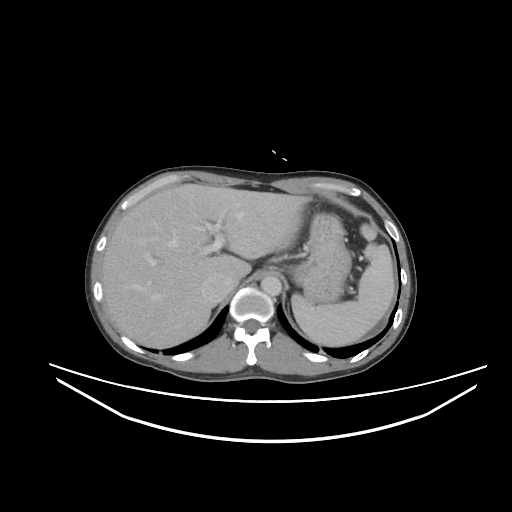

CT abdomen; axial view; W/L 400/40 HU; 47-year-old male patient
Bounding boxes as [x1, y1, x2, y2] in pixel coordinates.
spleen: [291, 225, 394, 346]
liver: [102, 183, 308, 348]
stomach: [289, 212, 351, 303]
aorta: [261, 276, 281, 295]
inferior vena cava: [202, 275, 235, 300]